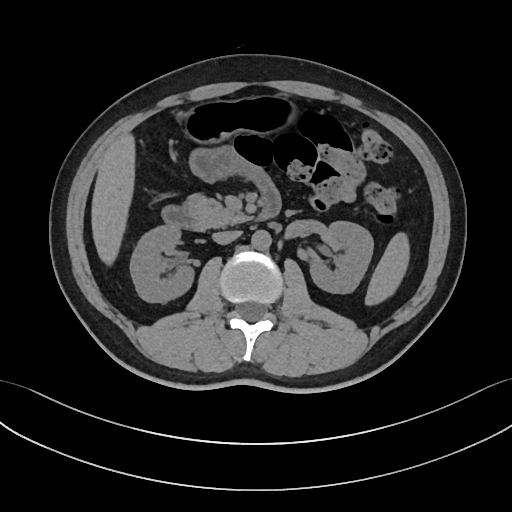

CT, abdomen/pelvis · axial view
Coordinates as <box>x1,y1,x2,y2</box> in pixels.
Organ bounding boxes:
- inferior vena cava: <box>212,230,241,244</box>
- spleen: <box>365,232,409,305</box>
- aorta: <box>251,230,271,250</box>
- pancreas: <box>183,194,249,229</box>
- stomach: <box>181,97,293,143</box>
- duodenum: <box>162,188,281,229</box>
- left kidney: <box>309,221,373,293</box>
- liver: <box>91,133,134,265</box>
- right kidney: <box>129,225,194,302</box>